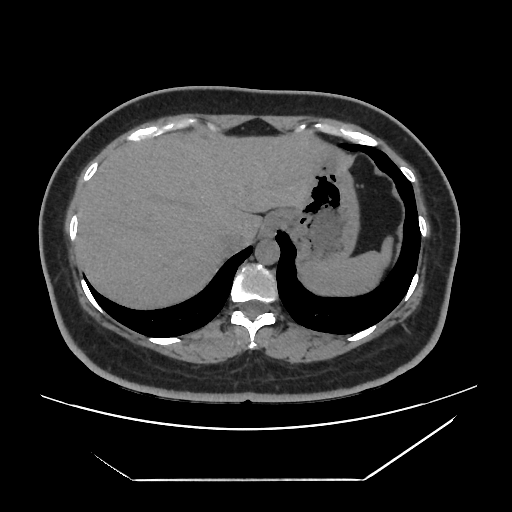

Abdominal CT; axial plane, index 278; soft-tissue window (W 400 / L 40); scan has 15 labeled organs (counted over the whole 3D scan, not this slice; an organ is boxed only where this slice passes through it)
Boxes: x1 y1 x2 y2 (pixel coords, space-separated). 6 labeled organs on this slice — stomach at 282 148 359 265; liver at 76 132 329 308; aorta at 255 239 279 264; esophagus at 261 211 284 236; inferior vena cava at 220 226 254 251; spleen at 301 236 392 295.